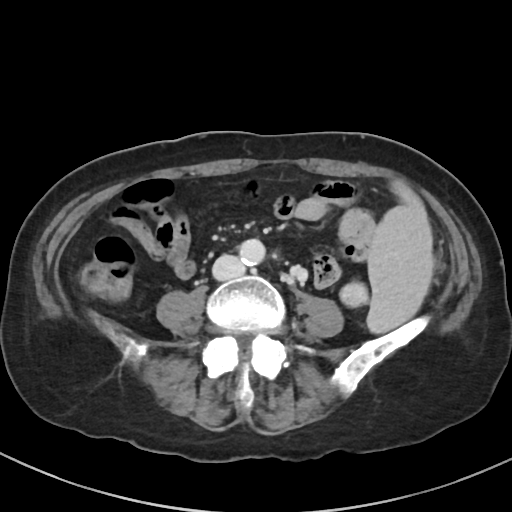

CT abdomen — axial view — soft-tissue window
Bounding boxes as [x1, y1, x2, y2] in pixel coordinates.
inferior vena cava: [212, 255, 244, 280]
aorta: [239, 239, 265, 265]
spleen: [368, 179, 433, 333]